CT of the abdomen extending into the chest, slice through the chest — axial view — Aquilion ONE scanner
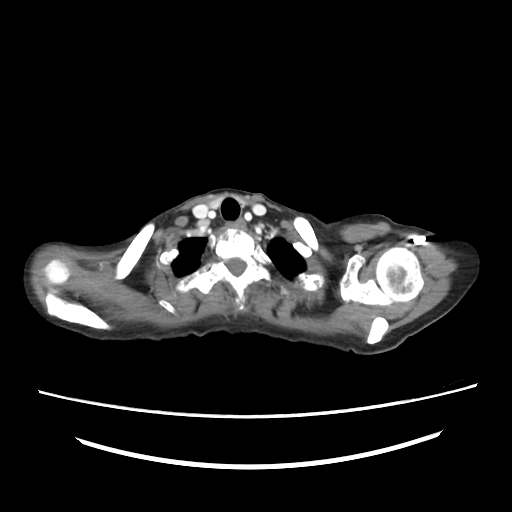
At this level of the chest this dataset labels only the esophagus and the aorta, and each is boxed only where it is labeled; the heart and lungs are never labeled. Boxes: x1 y1 x2 y2 (pixel coords, space-separated). The annotated organs in this slice are: esophagus at 235 218 245 229.